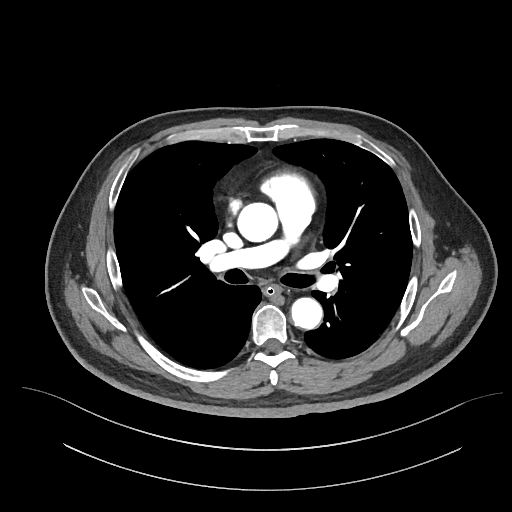
CT of the abdomen extending into the chest, slice through the chest · Axial slice 264/333 · soft-tissue window (W 400 / L 40) · 512x512 px · 15 organs annotated in this scan (that count is for the whole scan; organs this slice misses have no box)
At this level of the chest no structure but the esophagus and the aorta has a label in this dataset, and those two are boxed only where they are labeled.
One row per box, in pixels: columns x1 and y1 give the top-left corner, x2 and y2 the bottom-right.
| organ | x1 | y1 | x2 | y2 |
|---|---|---|---|---|
| esophagus | 264 | 285 | 282 | 297 |
| aorta | 237 | 202 | 277 | 242 |
| aorta | 291 | 297 | 322 | 329 |